Computed tomography, abdomen · axial plane, index 23 · W/L 400/40 HU · 512x512 px
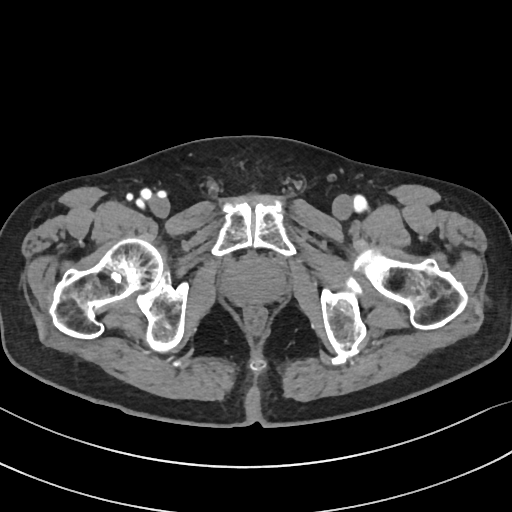 Boxes: x1 y1 x2 y2 (pixel coords, space-separated).
Organ bounding boxes:
- prostate/uterus: 223 258 285 304